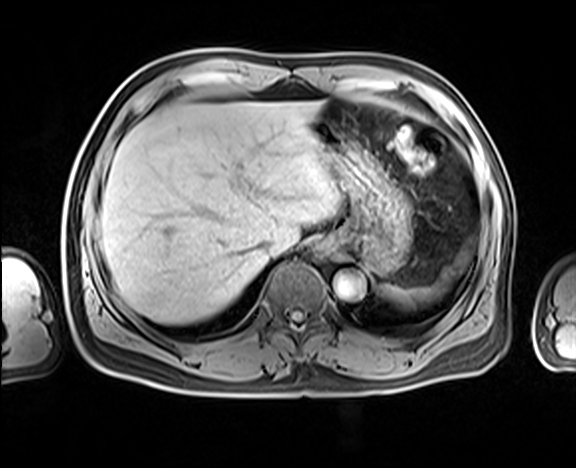

Abdominal MRI. axial view. 576x468 px
<organs><organ name="esophagus" x1="309" y1="237" x2="330" y2="256"/><organ name="spleen" x1="381" y1="241" x2="472" y2="308"/><organ name="aorta" x1="334" y1="273" x2="365" y2="299"/><organ name="stomach" x1="310" y1="103" x2="412" y2="275"/><organ name="liver" x1="101" y1="102" x2="342" y2="324"/><organ name="inferior vena cava" x1="258" y1="238" x2="273" y2="254"/></organs>